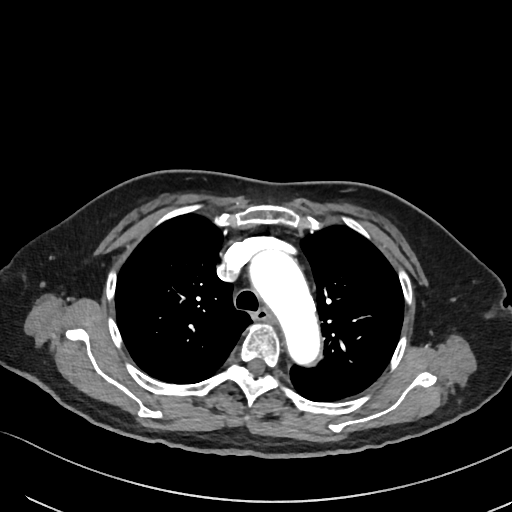

Abdominal CT reaching into the chest; this slice is in the chest · axial view · soft-tissue window · 15 organs annotated in this scan (counted over the whole 3D scan, not this slice; an organ is boxed only where this slice passes through it)
At this level of the chest no structure but the esophagus and the aorta has a label in this dataset, and those two are boxed only where they are labeled.
<organs><organ name="esophagus" x1="254" y1="308" x2="274" y2="322"/><organ name="aorta" x1="249" y1="250" x2="320" y2="365"/></organs>